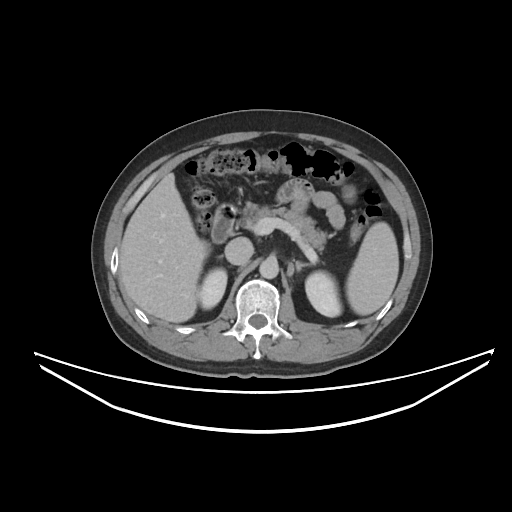

Computed tomography, abdomen — axial plane, index 66 — W/L 400/40 HU — 40-year-old male patient
Boxes: x1:y1:x2:y2 in pixels. 10 labeled organs on this slice — spleen at 346:222:398:315; right kidney at 198:268:227:309; left kidney at 305:271:342:316; liver at 120:173:209:322; aorta at 259:258:278:278; inferior vena cava at 225:237:253:264; pancreas at 240:203:327:251; right adrenal gland at 218:255:222:258; left adrenal gland at 291:259:311:271; duodenum at 211:203:236:243.